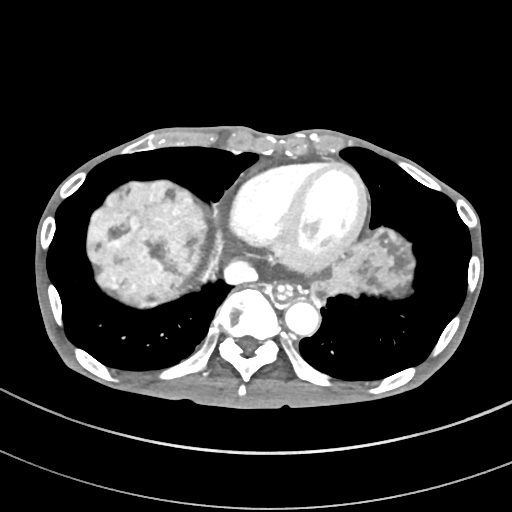

Abdominal CT; axial view; abdomen soft-tissue window; SOMATOM Force scanner; 15 organs annotated in this scan (that count is for the whole scan; organs this slice misses have no box)
<organs><organ name="esophagus" x1="274" y1="285" x2="292" y2="302"/><organ name="liver" x1="86" y1="181" x2="413" y2="307"/><organ name="aorta" x1="285" y1="301" x2="319" y2="335"/><organ name="inferior vena cava" x1="224" y1="259" x2="257" y2="283"/></organs>